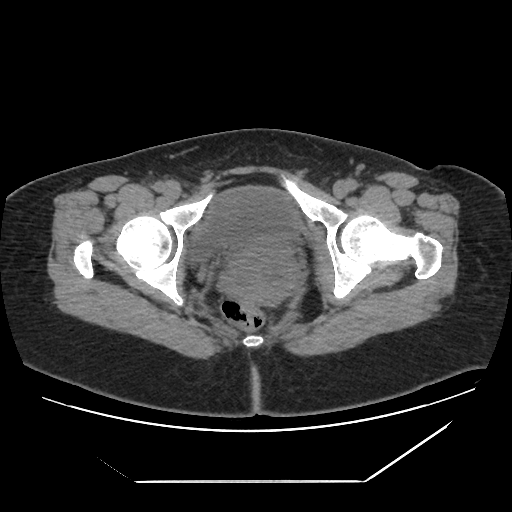
Computed tomography, abdomen; axial view; W/L 400/40 HU; 15 organs annotated in this scan (a whole-scan count: organs this slice does not pass through have no box)
Boxes: x1:y1:x2:y2 in pixels.
prostate/uterus: 249:255:295:300
bladder: 187:185:305:266